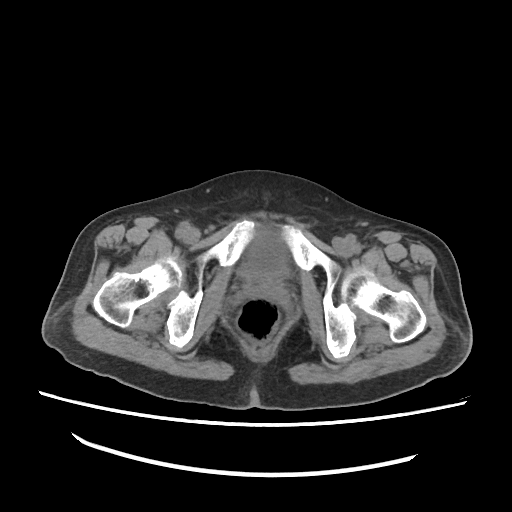
Computed tomography, abdomen · axial plane, index 13 · 75-year-old female patient · Aquilion ONE scanner
Boxes are (x1, y1, x2, y2) in pixels.
Organ bounding boxes:
- bladder: (243, 235, 288, 276)